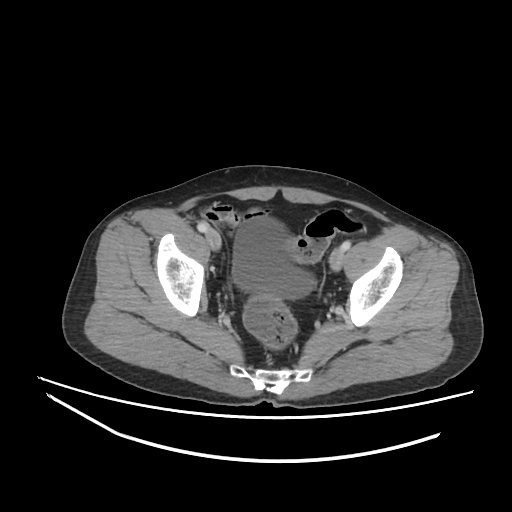
Computed tomography, abdomen — Axial slice 20/128 — 54-year-old male patient
Bounding boxes as [x1, y1, x2, y2] in pixel coordinates.
Organ bounding boxes:
- bladder: [232, 217, 314, 298]